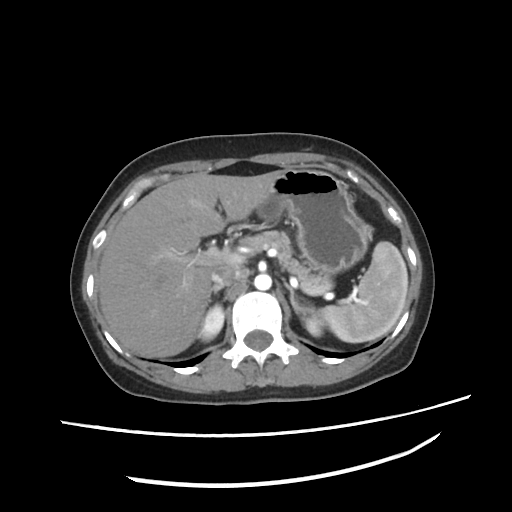

CT abdomen; axial view; 512x512 px
<organs><organ name="left adrenal gland" x1="285" y1="284" x2="298" y2="310"/><organ name="spleen" x1="317" y1="240" x2="407" y2="343"/><organ name="left kidney" x1="303" y1="313" x2="321" y2="335"/><organ name="aorta" x1="255" y1="273" x2="271" y2="289"/><organ name="right adrenal gland" x1="211" y1="284" x2="223" y2="293"/><organ name="right kidney" x1="199" y1="305" x2="223" y2="341"/><organ name="stomach" x1="257" y1="169" x2="371" y2="272"/><organ name="pancreas" x1="239" y1="230" x2="330" y2="289"/><organ name="liver" x1="99" y1="171" x2="281" y2="357"/><organ name="inferior vena cava" x1="212" y1="265" x2="248" y2="285"/></organs>